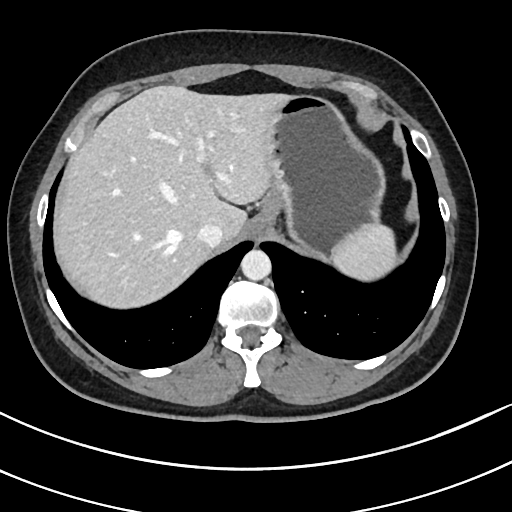

CT abdomen; axial plane, index 177; 512x512 px; SOMATOM Force scanner
{"organs":{"spleen":[331,224,397,280],"esophagus":[248,221,268,239],"liver":[53,85,289,308],"stomach":[254,95,385,254],"aorta":[240,249,271,280],"inferior vena cava":[197,222,224,247]}}